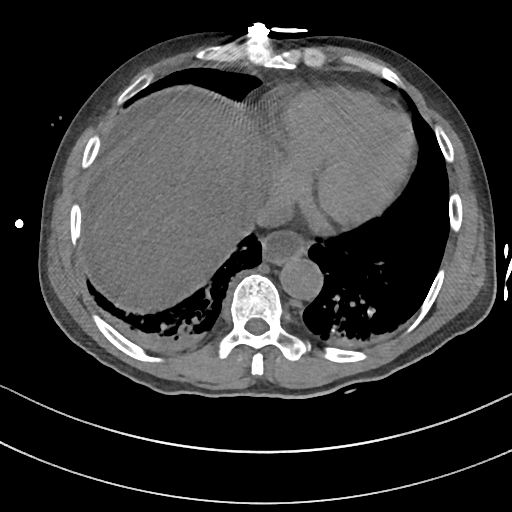

Computed tomography, abdomen — axial plane, index 223 — abdomen soft-tissue window
One row per box, in pixels: columns x1 and y1 give the top-left corner, x2 and y2 the bottom-right.
| organ | x1 | y1 | x2 | y2 |
|---|---|---|---|---|
| esophagus | 261 | 231 | 307 | 262 |
| liver | 93 | 100 | 267 | 312 |
| aorta | 279 | 255 | 322 | 300 |
| inferior vena cava | 240 | 195 | 290 | 236 |